Computed tomography, abdomen; axial view; abdomen soft-tissue window
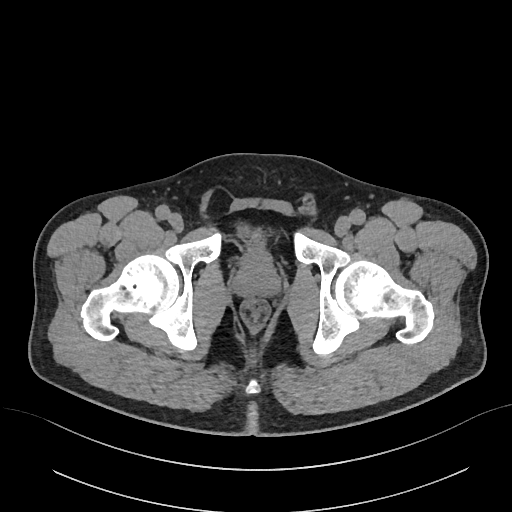
Bounding boxes as [x1, y1, x2, y2] in pixel coordinates.
Organ bounding boxes:
- bladder: [238, 224, 270, 264]
- prostate/uterus: [234, 259, 279, 296]